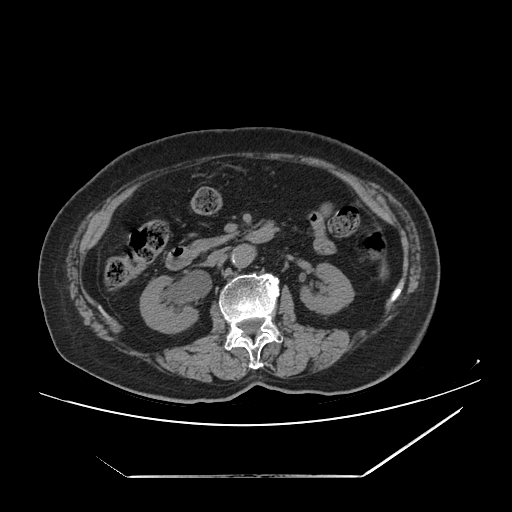
Computed tomography, abdomen — Axial slice 108/163
{"organs":{"pancreas":[189,234,234,256],"duodenum":[164,220,277,270],"liver":[98,252,101,269],"aorta":[230,245,253,268],"inferior vena cava":[204,248,226,266],"right kidney":[140,277,199,333],"left kidney":[302,263,354,315],"spleen":[374,257,392,285]}}